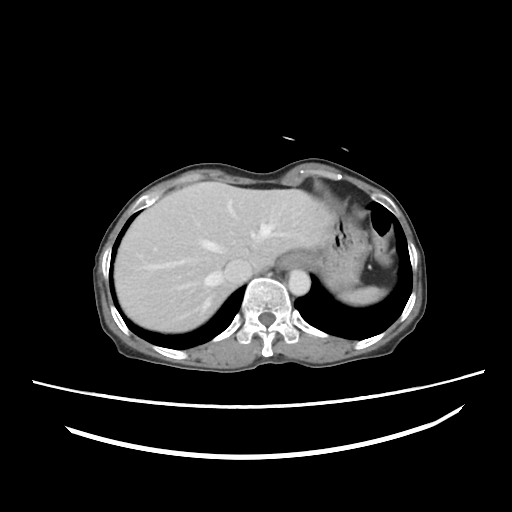 CT, abdomen/pelvis · axial plane, index 70 · soft-tissue window (W 400 / L 40) · acquired on Aquilion ONE · scan has 15 labeled organs (that count is for the whole scan; organs this slice misses have no box)
Each box given as x1,y1,x2,y2. Labeled organs on this slice: spleen at x1=338, y1=286, x2=384, y2=306, esophagus at x1=280, y1=252, x2=306, y2=270, liver at x1=113, y1=181, x2=332, y2=331, stomach at x1=305, y1=206, x2=369, y2=290, aorta at x1=287, y1=269, x2=309, y2=293, inferior vena cava at x1=222, y1=259, x2=252, y2=283.